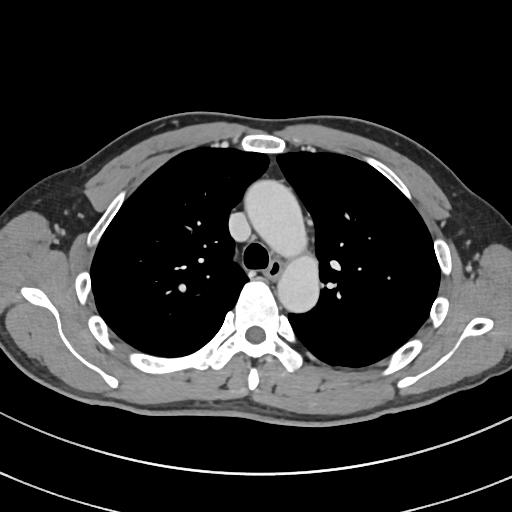
CT of the abdomen extending into the chest, slice through the chest. axial view. 512x512 px. scan has 15 labeled organs (counted over the whole 3D scan, not this slice; an organ is boxed only where this slice passes through it)
On a slice this high in the chest, this dataset labels only the esophagus and the aorta, and each is boxed only where it is labeled; the heart, lungs and other chest structures are not labeled.
One row per box, in pixels: columns x1 and y1 give the top-left corner, x2 and y2 the bottom-right.
| organ | x1 | y1 | x2 | y2 |
|---|---|---|---|---|
| esophagus | 264 | 260 | 284 | 279 |
| aorta | 244 | 179 | 319 | 312 |